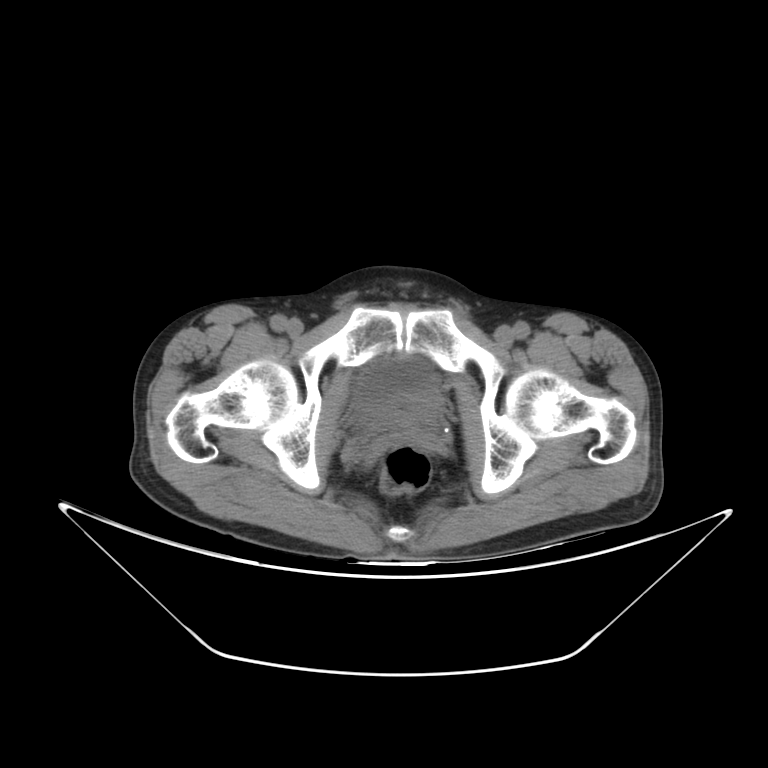

Abdominal CT. axial view. abdomen soft-tissue window. 768x768 px. 52-year-old male patient
Coordinates as <box>x1,y1,x2,y2</box> in pixels. Labeled organs on this slice: bladder at <box>351,356,435,425</box>, prostate/uterus at <box>378,403,434,429</box>.